Abdominal CT; axial view; scan has 15 labeled organs (that count is for the whole scan; organs this slice misses have no box)
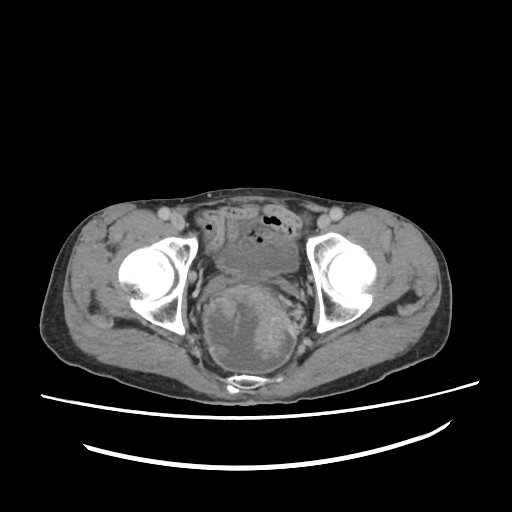 <organs><organ name="bladder" x1="218" y1="239" x2="296" y2="277"/></organs>